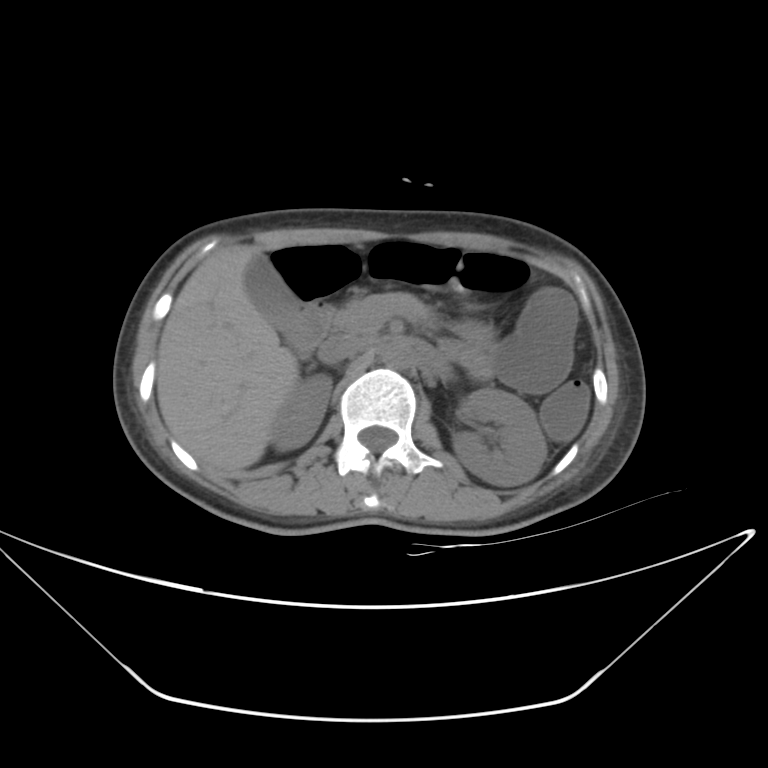 CT, abdomen/pelvis. Axial slice 68/84
{"organs":{"right kidney":[270,374,332,452],"left kidney":[453,388,547,485],"gall bladder":[244,251,312,356],"liver":[156,245,298,471],"aorta":[381,340,412,368],"inferior vena cava":[318,334,368,364],"pancreas":[333,292,438,333],"right adrenal gland":[308,362,316,370],"duodenum":[286,304,333,357]}}